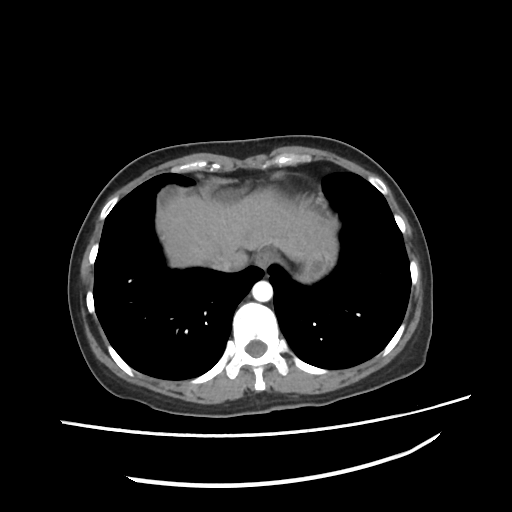
Abdominal CT; axial view; 47-year-old female patient; 15 organs annotated in this scan (counted over the whole 3D scan, not this slice; an organ is boxed only where this slice passes through it)
Boxes: x1:y1:x2:y2 in pixels. 5 labeled organs on this slice — esophagus at 254:251:273:267; liver at 157:188:336:268; stomach at 295:253:332:283; aorta at 252:280:273:302; inferior vena cava at 211:254:240:272.